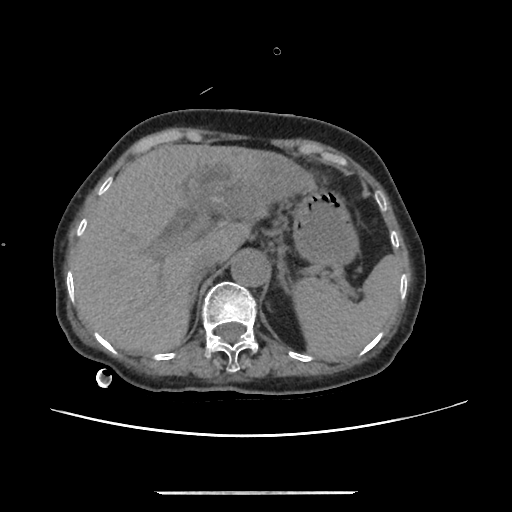
CT, abdomen/pelvis. axial view. soft-tissue window
<organs><organ name="spleen" x1="294" y1="254" x2="401" y2="361"/><organ name="liver" x1="70" y1="144" x2="316" y2="352"/><organ name="stomach" x1="292" y1="186" x2="358" y2="266"/><organ name="aorta" x1="230" y1="252" x2="268" y2="286"/><organ name="inferior vena cava" x1="192" y1="249" x2="220" y2="277"/><organ name="right adrenal gland" x1="188" y1="277" x2="200" y2="309"/><organ name="left adrenal gland" x1="277" y1="259" x2="290" y2="291"/></organs>